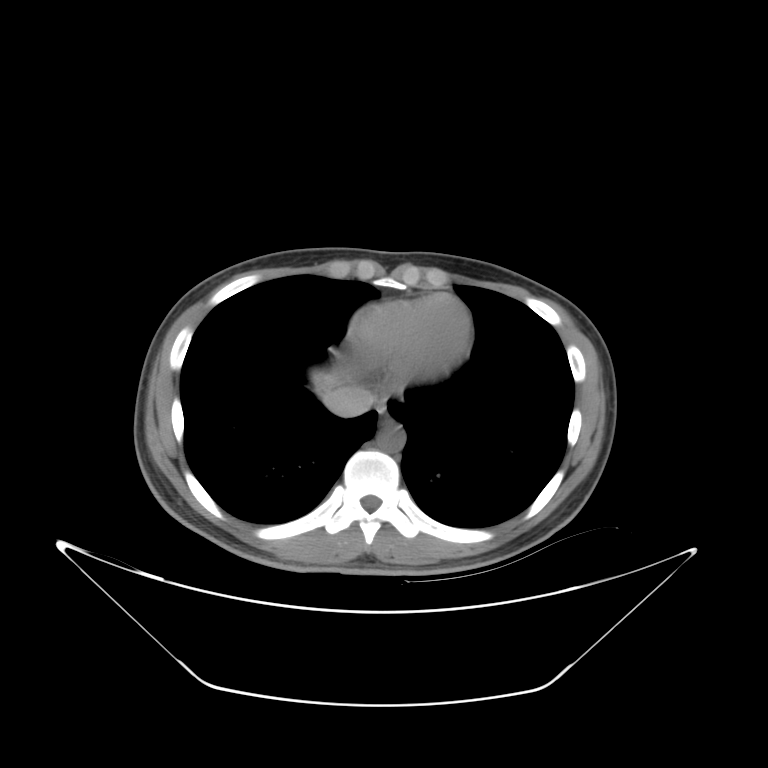

CT abdomen — Axial slice 95/102 — soft-tissue window (W 400 / L 40) — 16-year-old male patient
Boxes: x1 y1 x2 y2 (pixel coords, space-separated). The annotated organs in this slice are: esophagus at 377 414 395 430, liver at 314 369 356 396, aorta at 375 426 407 452, inferior vena cava at 323 388 374 417.